Computed tomography, abdomen — axial view — abdomen soft-tissue window — 768x768 px — 30-year-old male patient
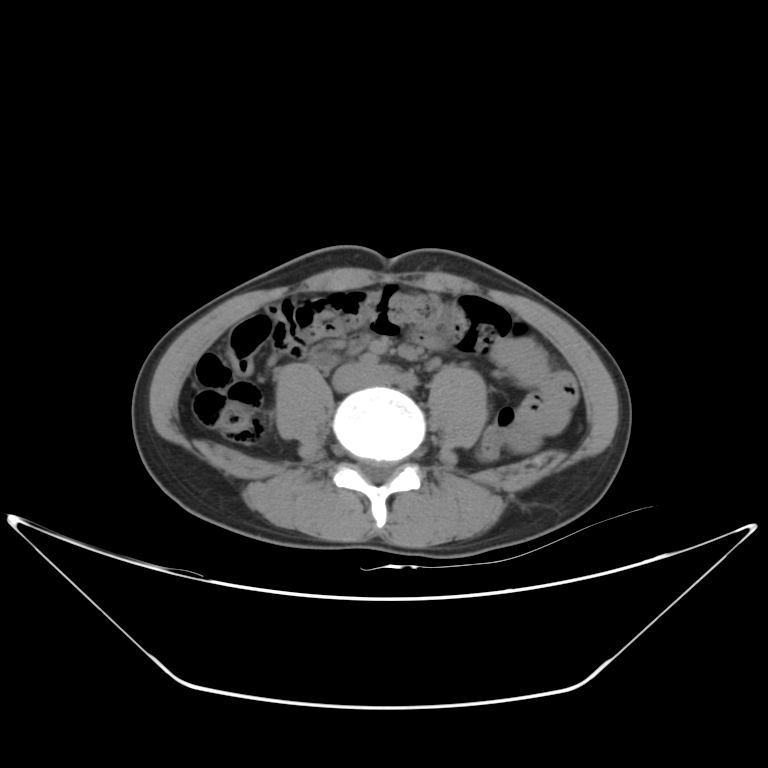
{"organs":{"duodenum":[312,354,335,365],"inferior vena cava":[333,366,389,390]}}